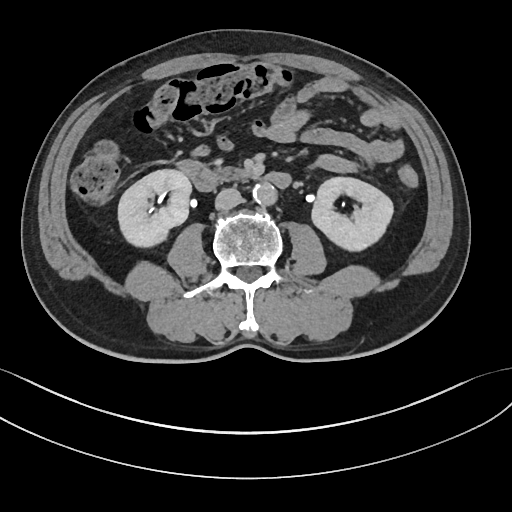

CT, abdomen/pelvis; Axial slice 131/224; soft-tissue window (W 400 / L 40); scan has 15 labeled organs (a whole-scan count: organs this slice does not pass through have no box)
Boxes are (x1, y1, x2, y2) in pixels.
Organ bounding boxes:
- right kidney: (118, 169, 191, 247)
- inferior vena cava: (215, 188, 241, 210)
- left kidney: (311, 177, 393, 251)
- duodenum: (177, 160, 291, 191)
- pancreas: (219, 167, 253, 179)
- aorta: (253, 183, 276, 206)